CT, abdomen/pelvis · axial view
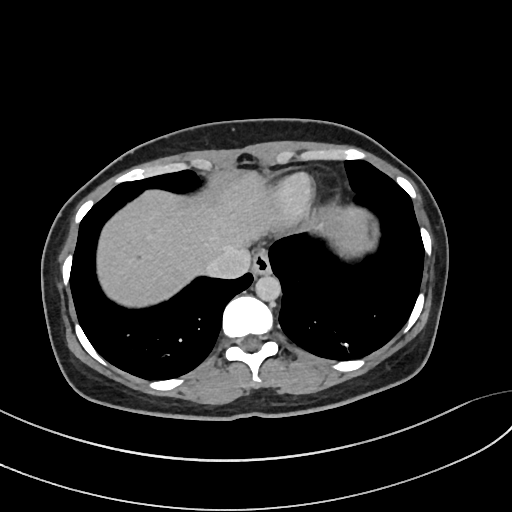 Boxes are (x1, y1, x2, y2) in pixels. Labeled organs on this slice: esophagus at (252, 252, 271, 274), liver at (95, 169, 370, 307), aorta at (255, 274, 280, 300), inferior vena cava at (203, 247, 250, 278).